Abdominal CT; axial plane, index 66; soft-tissue window (W 400 / L 40); 32-year-old female patient; acquired on Brilliance16
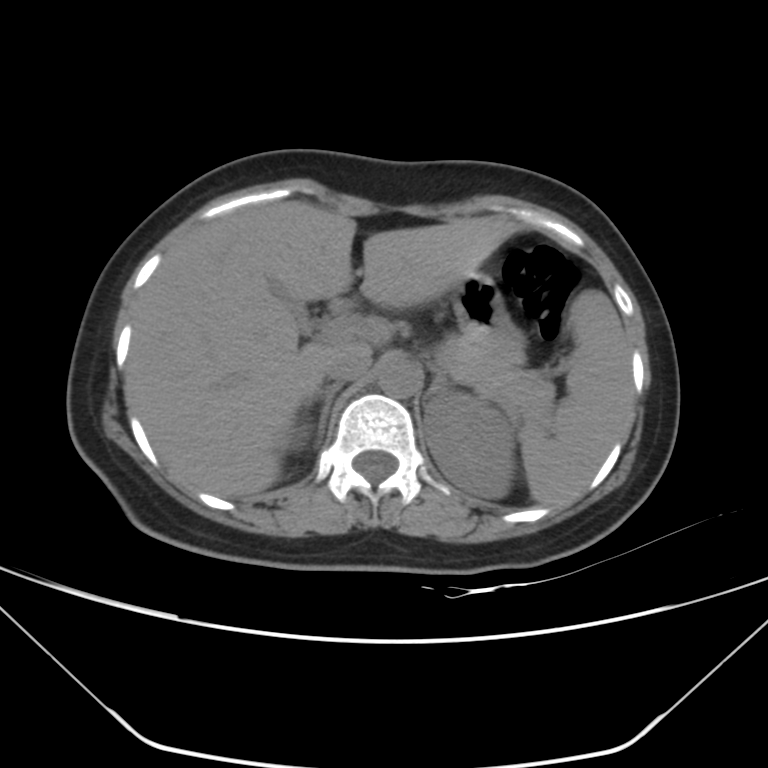 <organs><organ name="spleen" x1="519" y1="289" x2="632" y2="505"/><organ name="right kidney" x1="288" y1="425" x2="309" y2="451"/><organ name="left kidney" x1="423" y1="391" x2="515" y2="498"/><organ name="gall bladder" x1="271" y1="281" x2="312" y2="329"/><organ name="liver" x1="125" y1="201" x2="515" y2="496"/><organ name="stomach" x1="453" y1="272" x2="526" y2="365"/><organ name="aorta" x1="377" y1="359" x2="420" y2="397"/><organ name="inferior vena cava" x1="325" y1="352" x2="371" y2="383"/><organ name="pancreas" x1="445" y1="337" x2="554" y2="422"/><organ name="right adrenal gland" x1="303" y1="384" x2="341" y2="447"/><organ name="left adrenal gland" x1="424" y1="357" x2="452" y2="397"/></organs>